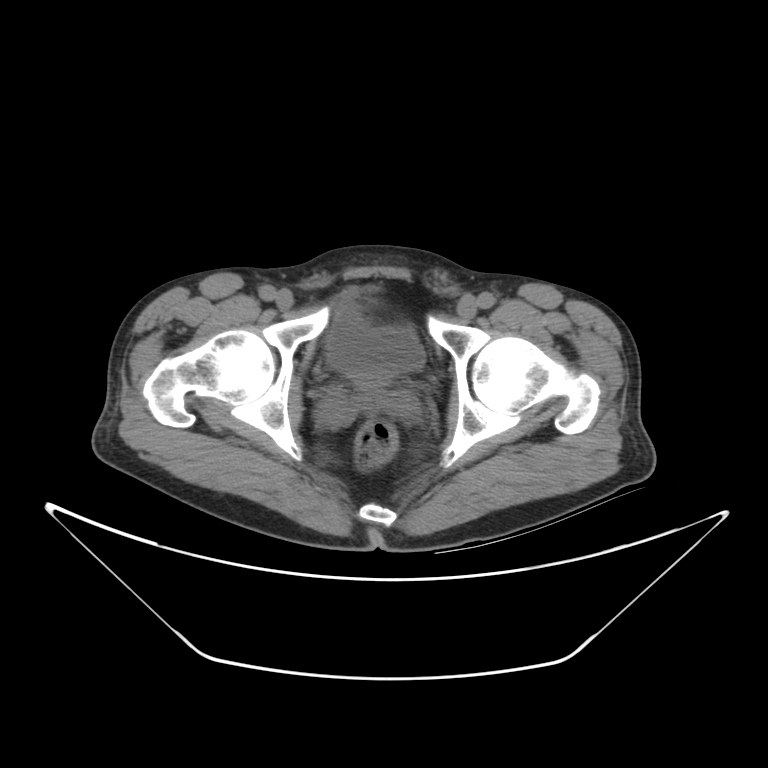

Abdominal CT. axial view. 768x768 px. scan has 15 labeled organs (a whole-scan count: organs this slice does not pass through have no box)
Each box given as x1,y1,x2,y2.
Organ bounding boxes:
- bladder: x1=326, y1=300, x2=425, y2=381